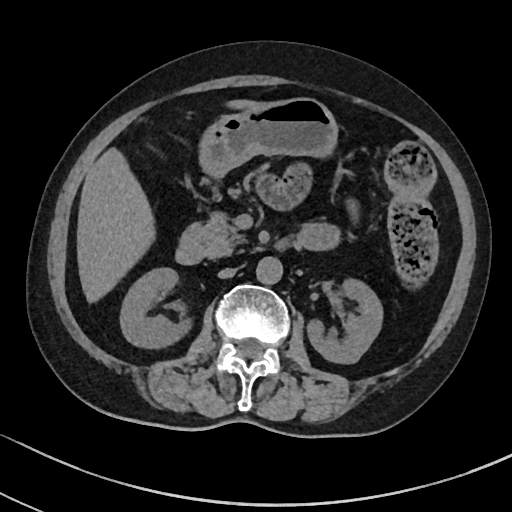 CT, abdomen/pelvis · axial view · 512x512 px · 15 organs annotated in this scan (counted over the whole 3D scan, not this slice; an organ is boxed only where this slice passes through it)
{"organs":{"stomach":[199,98,338,177],"right kidney":[120,268,191,348],"pancreas":[196,212,246,258],"aorta":[256,257,282,284],"inferior vena cava":[218,268,236,278],"duodenum":[175,225,203,264],"liver":[77,99,260,303],"left kidney":[306,278,382,363]}}